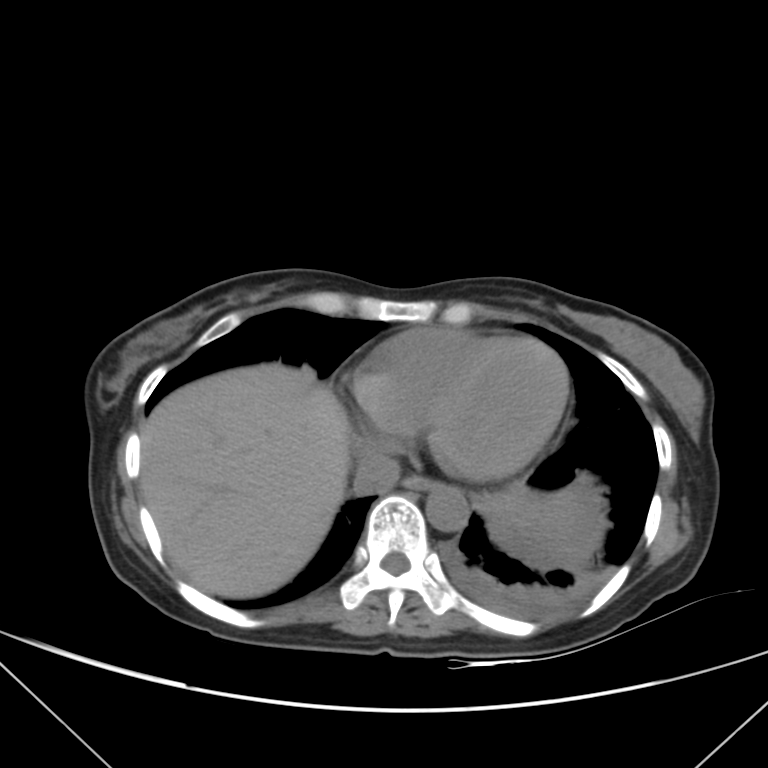
Abdominal CT. axial plane, index 85. W/L 400/40 HU. 768x768 px. scan has 15 labeled organs (a whole-scan count: organs this slice does not pass through have no box)
<organs><organ name="aorta" x1="426" y1="485" x2="469" y2="532"/><organ name="liver" x1="140" y1="362" x2="532" y2="598"/><organ name="inferior vena cava" x1="354" y1="450" x2="400" y2="495"/><organ name="esophagus" x1="404" y1="475" x2="434" y2="490"/></organs>